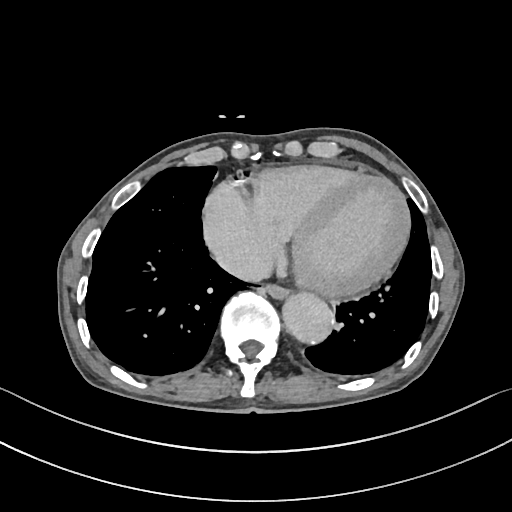
CT of the abdomen reaching into the lower chest, slice just above the liver and spleen · Axial slice 200/204 · soft-tissue window · acquired on SOMATOM Force · 15 organs annotated in this scan (a whole-scan count: organs this slice does not pass through have no box)
The heart and lungs are never labeled in this dataset, so they have no box on this slice.
Boxes are (x1, y1, x2, y2) in pixels.
Organ bounding boxes:
- esophagus: (265, 285, 289, 300)
- aorta: (283, 293, 334, 345)
- inferior vena cava: (215, 247, 272, 281)